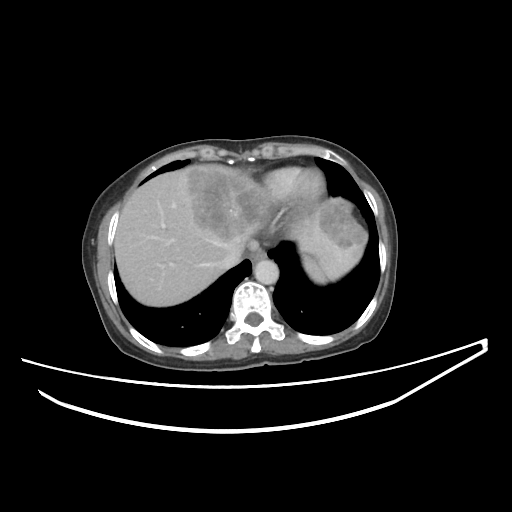

CT, abdomen/pelvis · Axial slice 79/116 · soft-tissue window (W 400 / L 40)
{"organs":{"spleen":[303,256,334,282],"esophagus":[250,248,266,263],"liver":[114,164,366,306],"aorta":[254,259,278,284],"inferior vena cava":[224,250,242,270]}}